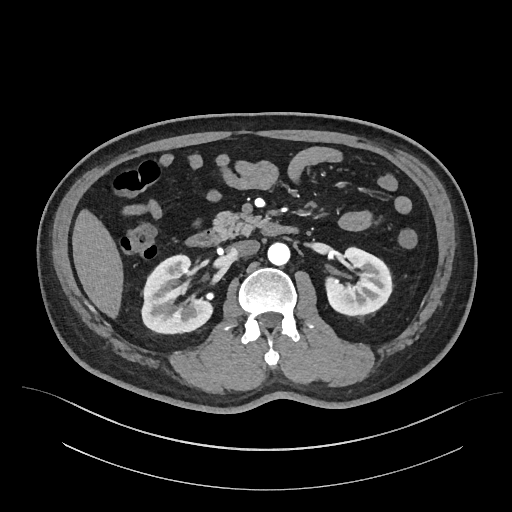

CT, abdomen/pelvis. axial plane, index 156. soft-tissue window (W 400 / L 40). 512x512 px. 15 organs annotated in this scan (counted over the whole 3D scan, not this slice; an organ is boxed only where this slice passes through it)
Each box given as x1,y1,x2,y2. Labeled organs on this slice: right kidney at x1=141, y1=255, x2=212, y2=333, left kidney at x1=325, y1=247, x2=391, y2=315, liver at x1=72, y1=209, x2=123, y2=318, aorta at x1=267, y1=242, x2=290, y2=265, inferior vena cava at x1=230, y1=239, x2=259, y2=256, pancreas at x1=213, y1=211, x2=263, y2=239, duodenum at x1=185, y1=223, x2=297, y2=246.